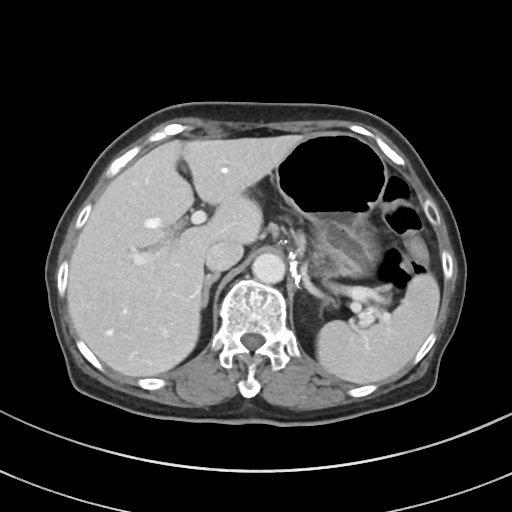
CT abdomen · Axial slice 68/84 · soft-tissue window · 512x512 px
Boxes are (x1, y1, x2, y2) in pixels.
Organ bounding boxes:
- spleen: (317, 273, 439, 384)
- liver: (67, 135, 304, 377)
- stomach: (274, 132, 387, 275)
- aorta: (252, 252, 285, 283)
- inferior vena cava: (205, 240, 243, 271)
- pancreas: (358, 312, 373, 329)
- right adrenal gland: (201, 272, 220, 307)